Abdominal CT; this slice is in the lower chest, just above the liver — Axial slice 92/134 — 512x512 px — 15 organs annotated in this scan (a whole-scan count: organs this slice does not pass through have no box)
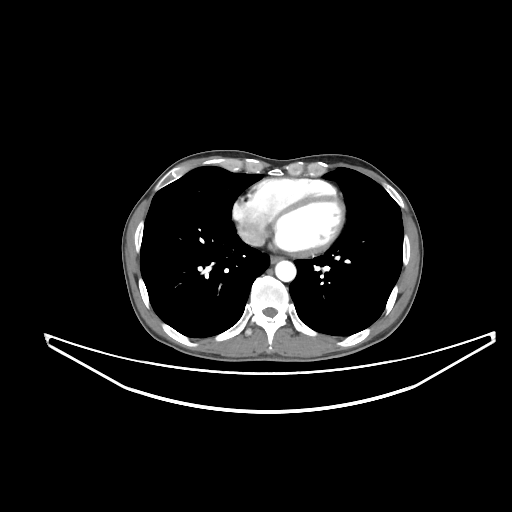
No part of the heart or lungs is labeled in this dataset, so neither has a box here.
Bounding boxes in pixels, one row per box: x1, y1 is the top-left corner and x2, y2 the bottom-right.
| organ | x1 | y1 | x2 | y2 |
|---|---|---|---|---|
| inferior vena cava | 242 | 233 | 263 | 245 |
| aorta | 275 | 260 | 295 | 281 |
| esophagus | 270 | 256 | 281 | 262 |